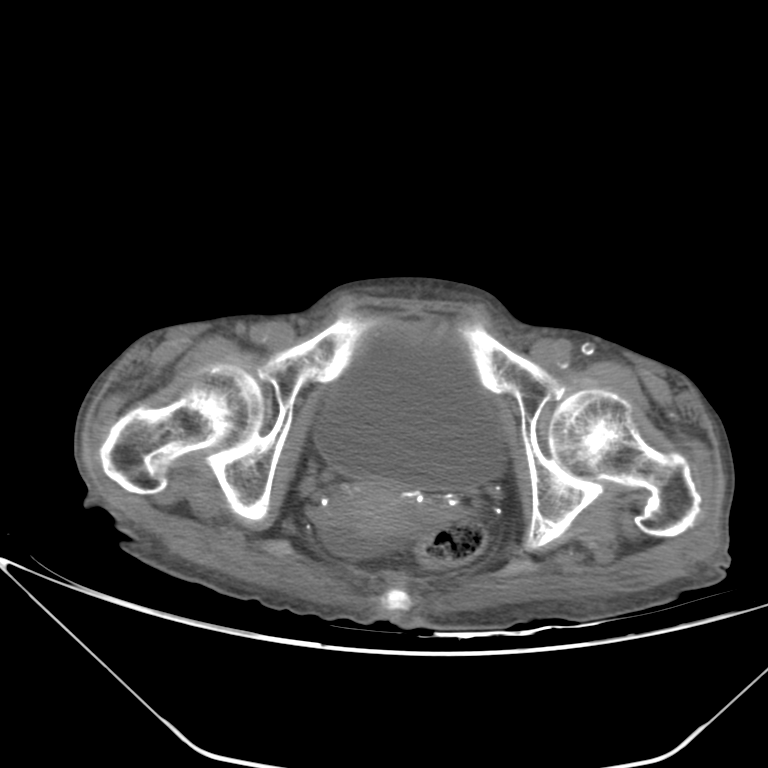
Abdominal CT; axial view; soft-tissue window; 80-year-old female patient; acquired on Brilliance16
Each box given as x1,y1,x2,y2.
bladder: x1=315, y1=324, x2=504, y2=491
prostate/uterus: x1=324, y1=478, x2=446, y2=535